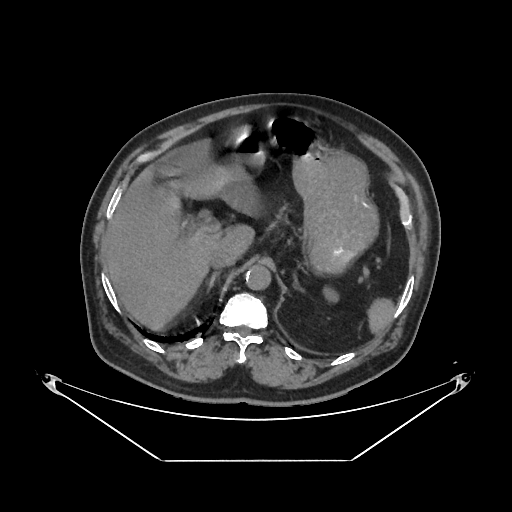
Abdominal CT · axial view · 512x512 px · 15 organs annotated in this scan (a whole-scan count: organs this slice does not pass through have no box)
Bounding boxes as [x1, y1, x2, y2] in pixel coordinates.
Organ bounding boxes:
- spleen: [367, 298, 394, 332]
- stomach: [232, 117, 378, 274]
- left adrenal gland: [293, 273, 297, 289]
- right adrenal gland: [209, 271, 220, 292]
- liver: [105, 125, 253, 330]
- aorta: [245, 265, 271, 290]
- inferior vena cava: [209, 249, 236, 268]
- left kidney: [324, 288, 338, 301]